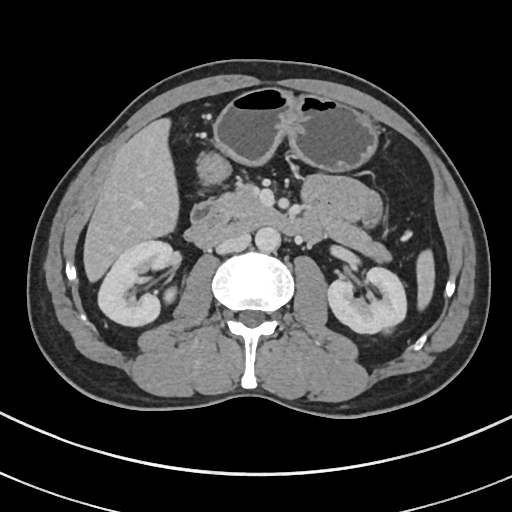 CT, abdomen/pelvis; axial view; soft-tissue window; SOMATOM Force scanner
<organs><organ name="spleen" x1="416" y1="250" x2="434" y2="309"/><organ name="right kidney" x1="98" y1="240" x2="175" y2="326"/><organ name="left kidney" x1="328" y1="267" x2="406" y2="333"/><organ name="liver" x1="83" y1="118" x2="179" y2="281"/><organ name="stomach" x1="197" y1="87" x2="378" y2="184"/><organ name="aorta" x1="255" y1="227" x2="280" y2="251"/><organ name="inferior vena cava" x1="216" y1="232" x2="250" y2="254"/><organ name="pancreas" x1="213" y1="185" x2="391" y2="262"/><organ name="duodenum" x1="184" y1="202" x2="320" y2="247"/></organs>